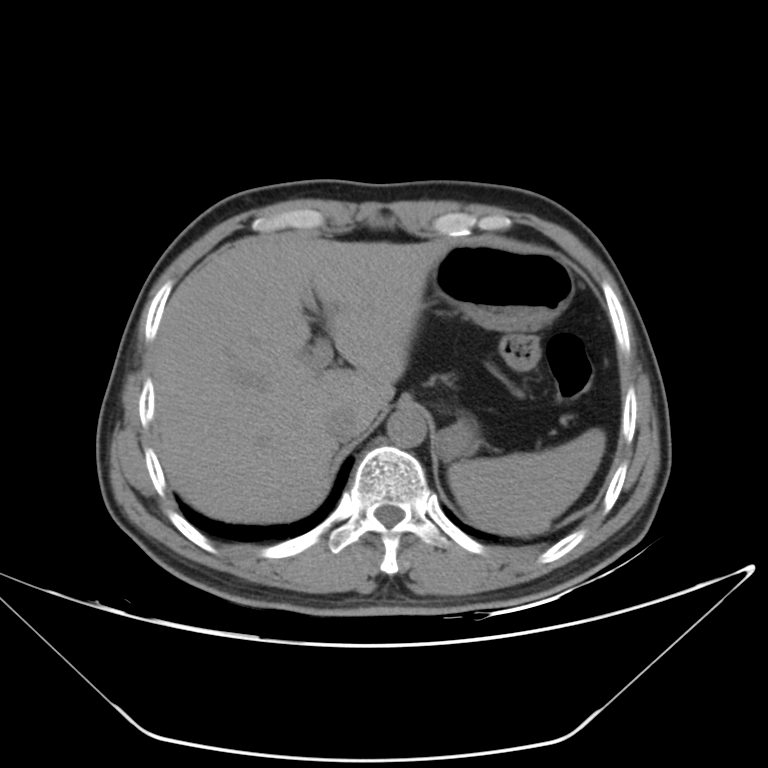
Abdominal CT — axial plane, index 81 — 768x768 px — 15 organs annotated in this scan (counted over the whole 3D scan, not this slice; an organ is boxed only where this slice passes through it)
{"organs":{"spleen":[448,428,605,535],"liver":[152,232,449,522],"stomach":[429,244,573,460],"aorta":[387,408,426,447],"inferior vena cava":[325,407,362,441]}}